Computed tomography, abdomen — axial view — scan has 15 labeled organs (a whole-scan count: organs this slice does not pass through have no box)
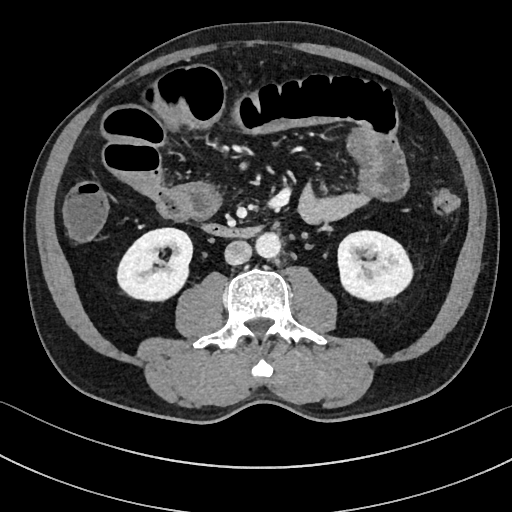 <organs><organ name="right kidney" x1="116" y1="228" x2="192" y2="302"/><organ name="left kidney" x1="337" y1="230" x2="414" y2="302"/><organ name="aorta" x1="256" y1="233" x2="281" y2="258"/><organ name="inferior vena cava" x1="224" y1="240" x2="252" y2="264"/><organ name="duodenum" x1="200" y1="222" x2="261" y2="237"/></organs>